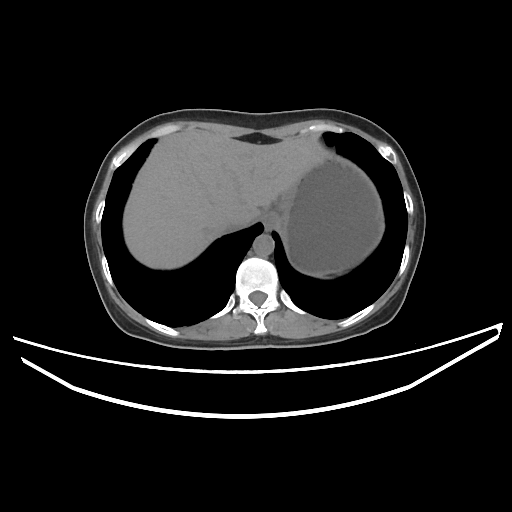 CT, abdomen/pelvis · axial plane, index 75
Bounding boxes in pixels, one row per box: x1, y1 is the top-left corner and x2, y2 the bottom-right.
| organ | x1 | y1 | x2 | y2 |
|---|---|---|---|---|
| esophagus | 262 | 212 | 277 | 230 |
| liver | 123 | 130 | 326 | 268 |
| stomach | 275 | 155 | 383 | 275 |
| aorta | 253 | 234 | 274 | 256 |
| inferior vena cava | 223 | 218 | 254 | 231 |